Abdominal CT — axial view — 512x512 px
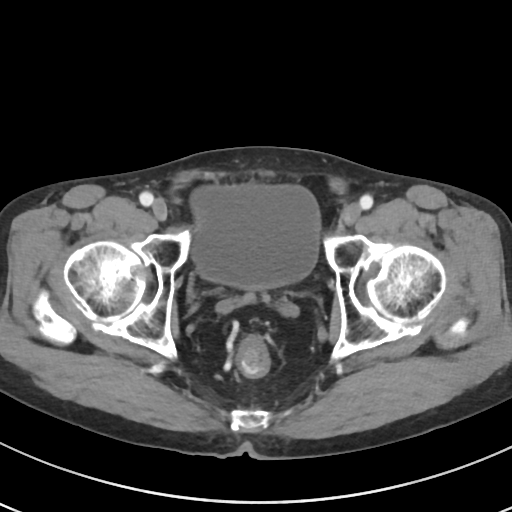 Boxes are (x1, y1, x2, y2) in pixels.
bladder: (191, 184, 319, 289)